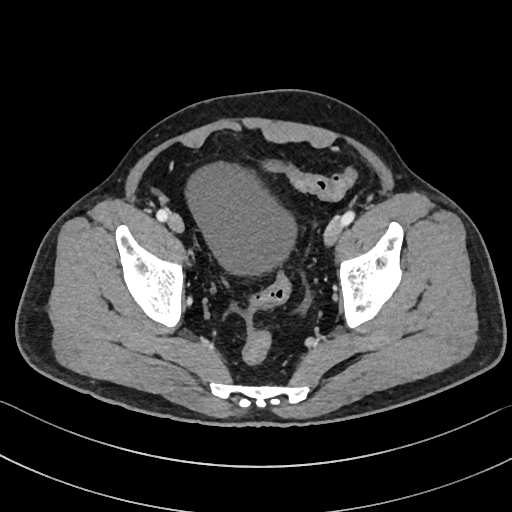 Computed tomography, abdomen; axial plane, index 47
{"organs":{"bladder":[187,163,293,275]}}